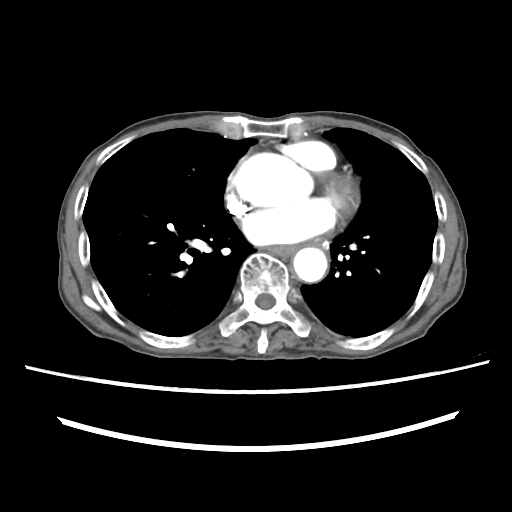
Abdominal CT reaching into the chest; this slice is in the chest — axial plane, index 85
At this level of the chest this dataset labels only the esophagus and the aorta, and each is boxed only where it is labeled; the heart and lungs are never labeled.
Boxes are (x1, y1, x2, y2) in pixels.
Organ bounding boxes:
- esophagus: (267, 245, 297, 256)
- aorta: (234, 153, 312, 206)
- aorta: (293, 247, 327, 282)